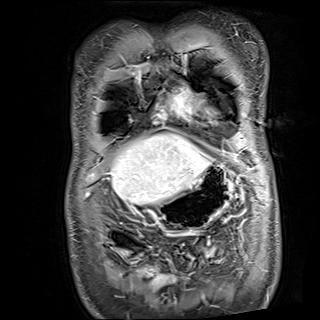 Magnetic resonance imaging, abdomen · coronal plane, index 54 · percentile-normalized · Prisma scanner
Bounding boxes as [x1, y1, x2, y2] in pixel coordinates. The annotated organs in this slice are: liver at [110, 133, 208, 204], stomach at [156, 165, 234, 229].